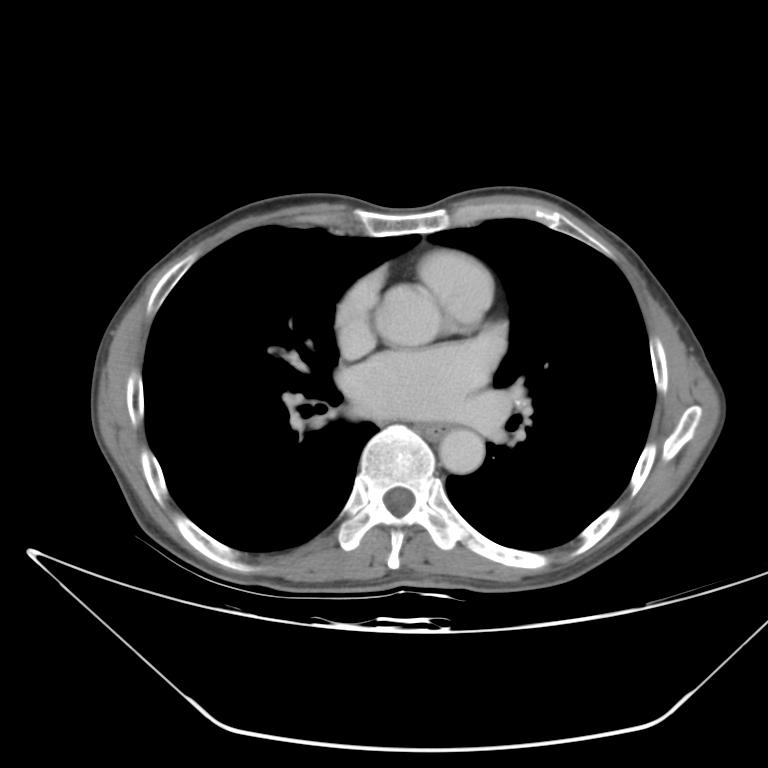

Chest-level slice from an abdominal CT that extends up into the chest; axial view; soft-tissue window, W/L 400/40; 62-year-old male patient
At this level of the chest this dataset labels only the esophagus and the aorta, and each is boxed only where it is labeled; the heart and lungs are never labeled.
Boxes: x1 y1 x2 y2 (pixel coords, space-separated).
esophagus: 416 423 459 440
aorta: 376 286 438 346
aorta: 438 427 485 473